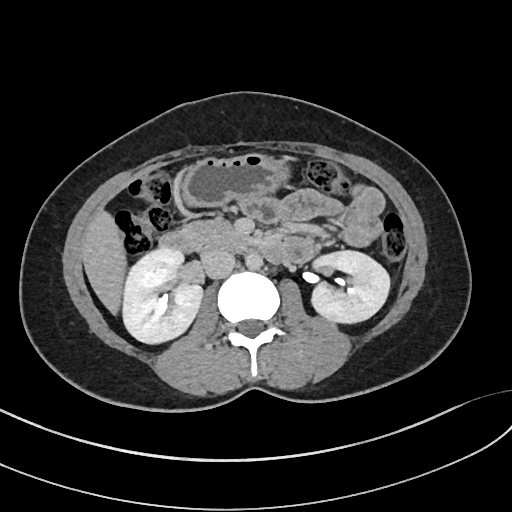 CT abdomen · Axial slice 142/219 · soft-tissue window
Coordinates as <box>x1,y1,x2,y2</box> in pixels.
right kidney: <box>121,246,201,342</box>
left kidney: <box>309,250,389,323</box>
liver: <box>82,212,125,314</box>
stomach: <box>184,155,287,204</box>
aorta: <box>245,251,262,270</box>
inferior vena cava: <box>201,249,235,278</box>
pancreas: <box>184,219,247,250</box>
duodenum: <box>161,229,284,263</box>